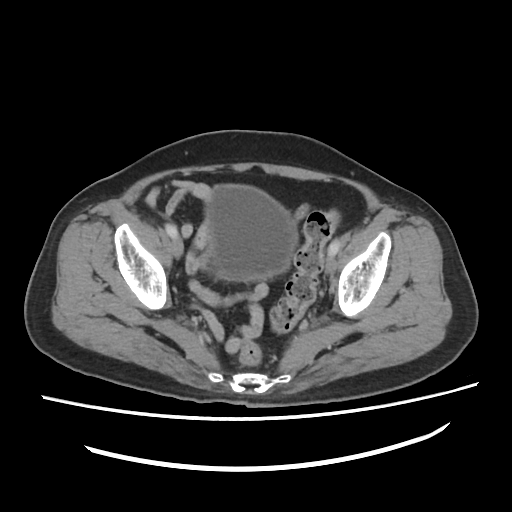 Abdominal CT; axial view; soft-tissue window (W 400 / L 40); 512x512 px; 14 organs annotated in this scan (a whole-scan count: organs this slice does not pass through have no box)
Boxes: x1 y1 x2 y2 (pixel coords, space-separated).
Organ bounding boxes:
- bladder: 206 185 295 279